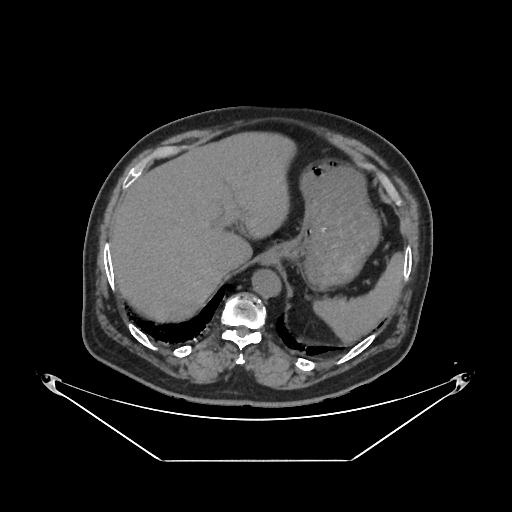 Computed tomography, abdomen. Axial slice 290/353. acquired on SOMATOM Force
Each box given as x1,y1,x2,y2.
Organ bounding boxes:
- spleen: x1=312, y1=253, x2=403, y2=342
- liver: x1=110, y1=133, x2=297, y2=321
- stomach: x1=261, y1=163, x2=379, y2=291
- aorta: x1=252, y1=270, x2=281, y2=298
- inferior vena cava: x1=217, y1=256, x2=238, y2=274